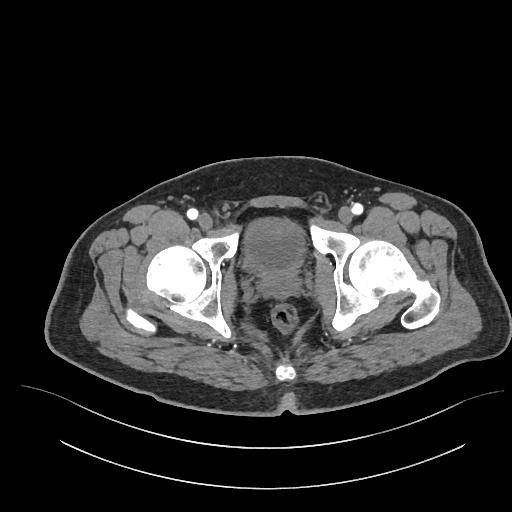
Abdominal CT; axial view; scan has 15 labeled organs (a whole-scan count: organs this slice does not pass through have no box)
Organ boxes in pixel coordinates; each row gives the top-left (x1, y1) and bottom-right (x2, y2) corners.
| organ | x1 | y1 | x2 | y2 |
|---|---|---|---|---|
| prostate/uterus | 259 | 268 | 298 | 297 |
| bladder | 244 | 217 | 305 | 271 |